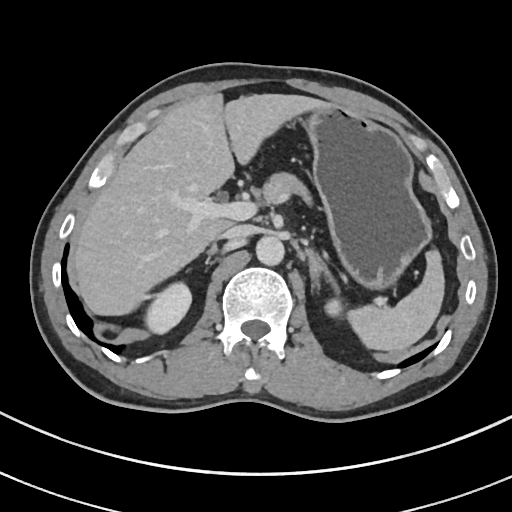 Abdominal CT; axial plane, index 141; acquired on SOMATOM Force
One row per box, in pixels: columns x1 and y1 give the top-left corner, x2 and y2 the bottom-right.
| organ | x1 | y1 | x2 | y2 |
|---|---|---|---|---|
| spleen | 347 | 249 | 444 | 351 |
| right kidney | 144 | 281 | 191 | 334 |
| left kidney | 325 | 299 | 342 | 317 |
| liver | 73 | 94 | 321 | 315 |
| stomach | 301 | 101 | 431 | 288 |
| aorta | 256 | 236 | 284 | 265 |
| inferior vena cava | 219 | 225 | 252 | 238 |
| pancreas | 261 | 173 | 308 | 202 |
| right adrenal gland | 208 | 245 | 216 | 253 |
| left adrenal gland | 307 | 249 | 340 | 295 |